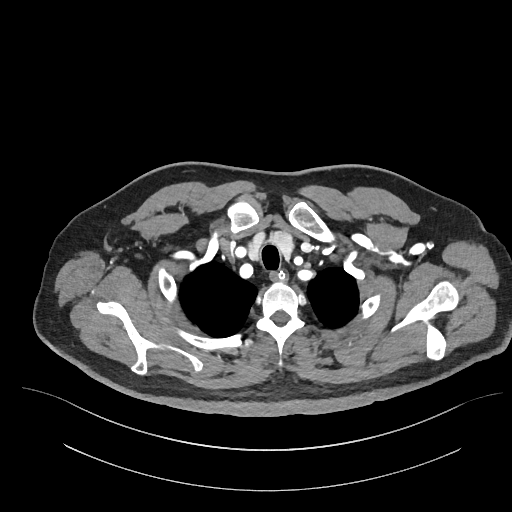

Chest-level CT slice, above the liver and spleen. axial view. 512x512 px
On a slice this high in the chest, this dataset labels only the esophagus and the aorta, and each is boxed only where it is labeled; the heart, lungs and other chest structures are not labeled.
<organs><organ name="esophagus" x1="270" y1="271" x2="284" y2="280"/></organs>